CT abdomen · axial view · soft-tissue window (W 400 / L 40) · 512x512 px · 15 organs annotated in this scan (counted over the whole 3D scan, not this slice; an organ is boxed only where this slice passes through it)
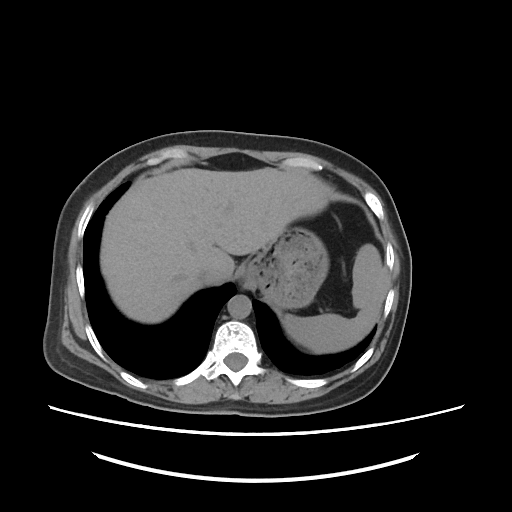 <organs><organ name="stomach" x1="238" y1="224" x2="326" y2="309"/><organ name="liver" x1="101" y1="167" x2="328" y2="323"/><organ name="aorta" x1="227" y1="294" x2="251" y2="317"/><organ name="inferior vena cava" x1="199" y1="270" x2="225" y2="284"/><organ name="spleen" x1="284" y1="244" x2="381" y2="353"/></organs>